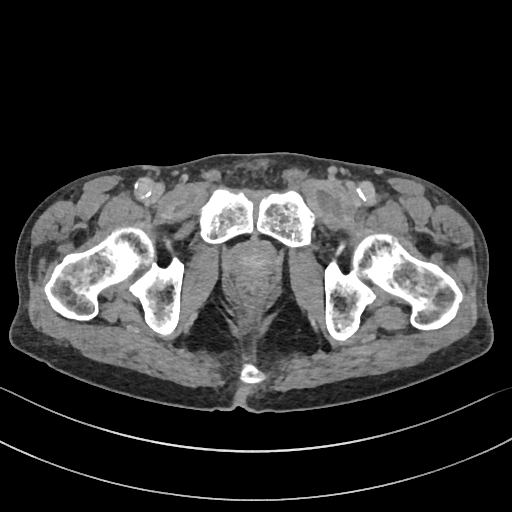

Abdominal CT; axial plane, index 25; soft-tissue window; acquired on SOMATOM Force
Box edges are left/top/right/bottom in pixels.
prostate/uterus: left=227, top=241, right=277, bottom=277